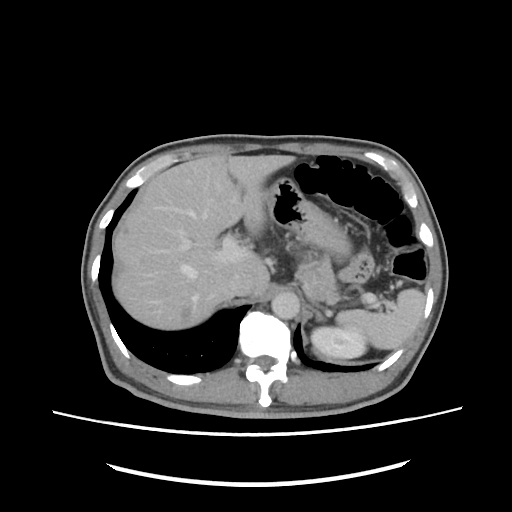
Abdominal CT; axial plane, index 74; abdomen soft-tissue window; 54-year-old male patient; 15 organs annotated in this scan (a whole-scan count: organs this slice does not pass through have no box)
Bounding boxes as [x1, y1, x2, y2] in pixel coordinates.
Organ bounding boxes:
- spleen: [336, 288, 425, 349]
- left kidney: [311, 327, 366, 358]
- liver: [113, 155, 295, 329]
- stomach: [264, 177, 351, 258]
- aorta: [271, 291, 299, 319]
- inferior vena cava: [227, 271, 254, 296]
- pancreas: [298, 254, 337, 300]
- left adrenal gland: [315, 310, 323, 320]